Abdominal CT; axial view; 16-year-old male patient; Brilliance16 scanner
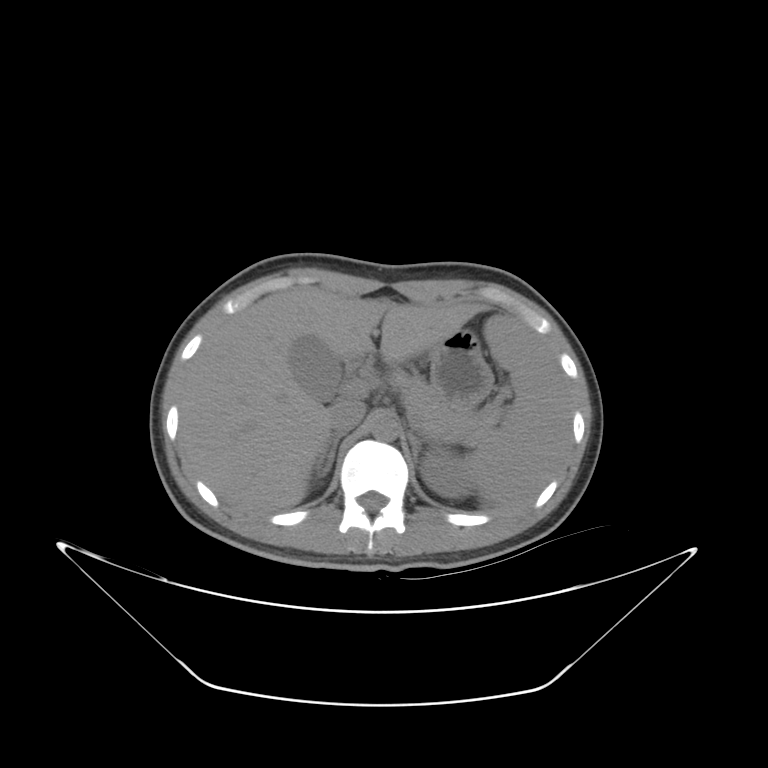

Bounding boxes as [x1, y1, x2, y2] in pixel coordinates. 11 labeled organs on this slice — left kidney at [422, 453, 471, 496]; liver at [179, 287, 494, 519]; right adrenal gland at [315, 433, 346, 481]; pancreas at [392, 370, 499, 435]; spleen at [471, 315, 570, 497]; aorta at [371, 413, 395, 440]; left adrenal gland at [408, 433, 433, 464]; inferior vena cava at [325, 402, 362, 429]; stomach at [430, 329, 492, 406]; gall bladder at [291, 336, 340, 399]; duodenum at [347, 352, 371, 377].